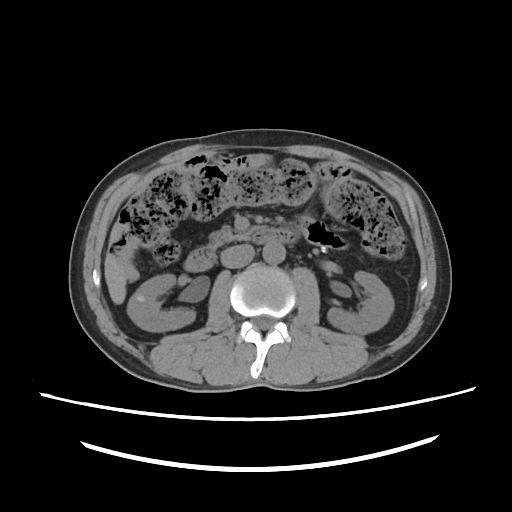
CT, abdomen/pelvis · axial view
Boxes: x1:y1:x2:y2 in pixels.
Organ bounding boxes:
- right kidney: 127:275:196:332
- left kidney: 326:269:392:335
- liver: 105:224:125:304
- aorta: 262:242:285:264
- inferior vena cava: 220:244:254:268
- pancreas: 206:226:257:249
- duodenum: 182:229:293:272